Abdominal CT — axial view — 512x512 px — acquired on SOMATOM Force
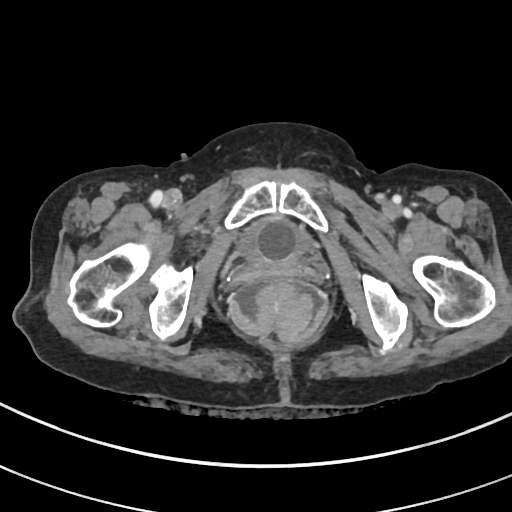

Coordinates as <box>x1,y1,x2,y2</box> in pixels. Labeled organs on this slice: bladder at <box>238,217,310,262</box>.